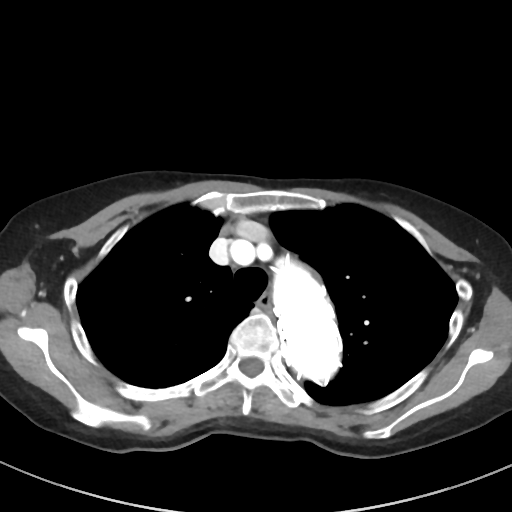

Chest-level CT slice, above the liver and spleen · Axial slice 105/116
At this level of the chest this dataset labels only the esophagus and the aorta, and each is boxed only where it is labeled; the heart and lungs are never labeled.
One row per box, in pixels: columns x1 and y1 give the top-left corner, x2 and y2 the bottom-right.
| organ | x1 | y1 | x2 | y2 |
|---|---|---|---|---|
| aorta | 272 | 261 | 339 | 380 |
| esophagus | 259 | 294 | 272 | 309 |